CT, abdomen/pelvis · axial view
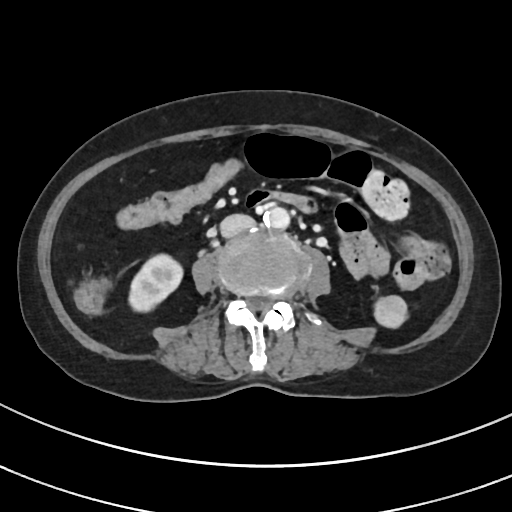

Each box given as x1,y1,x2,y2.
inferior vena cava: x1=220, y1=214, x2=256, y2=237
right kidney: x1=129, y1=254, x2=183, y2=311
aorta: x1=263, y1=206, x2=289, y2=228